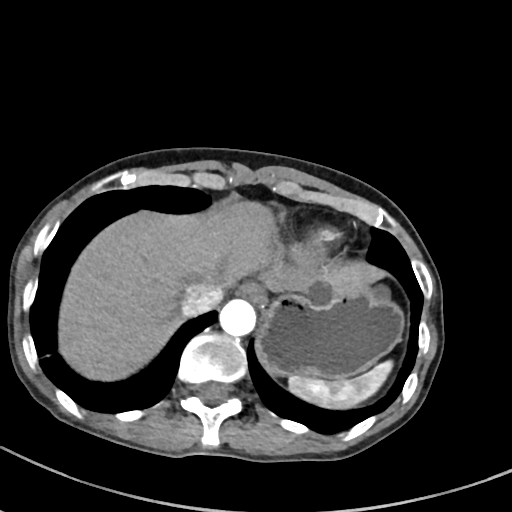

Abdominal CT — axial plane, index 191 — soft-tissue window — 512x512 px
Bounding boxes as [x1, y1, x2, y2] in pixel coordinates.
Organ bounding boxes:
- aorta: [219, 298, 255, 336]
- spleen: [288, 360, 393, 410]
- stomach: [256, 288, 405, 380]
- liver: [60, 201, 387, 380]
- esophagus: [237, 281, 264, 302]
- inferior vena cava: [180, 283, 221, 317]